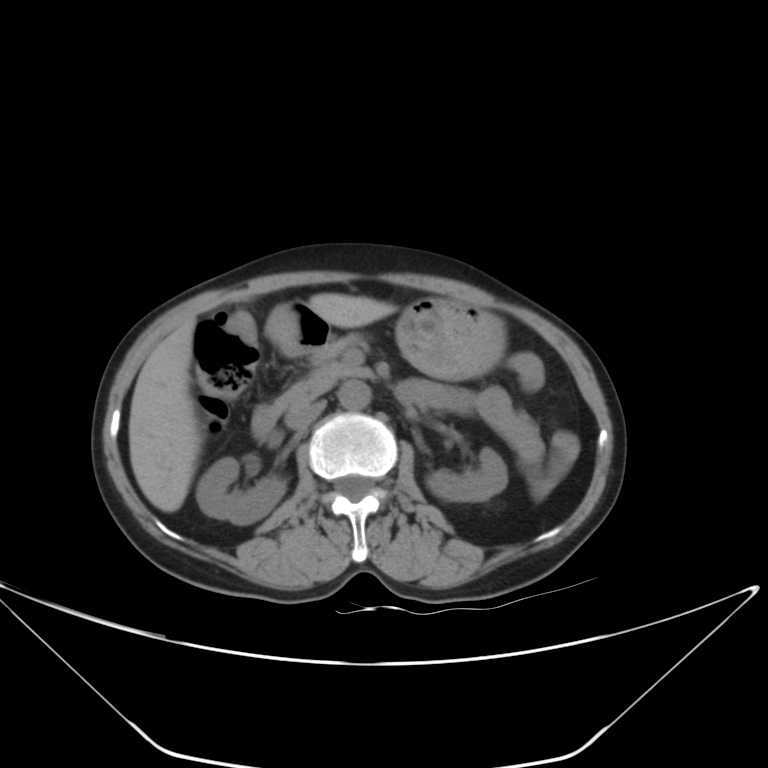 CT, abdomen/pelvis · axial view · 768x768 px
Box edges are left/top/right/bottom in pixels. Labeled organs on this slice: right kidney at left=195, top=458, right=288, bottom=524, left kidney at left=426, top=447, right=508, bottom=502, liver at left=128, top=293, right=395, bottom=512, stomach at left=268, top=299, right=505, bottom=379, aorta at left=338, top=380, right=371, bottom=410, inferior vena cava at left=286, top=401, right=325, bottom=430, pancreas at left=278, top=335, right=372, bottom=409, duodenum at left=251, top=380, right=427, bottom=441.